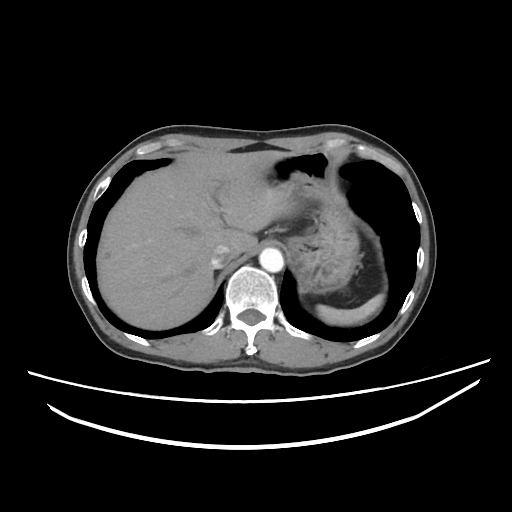
CT, abdomen/pelvis — axial view — 63-year-old male patient
Boxes: x1 y1 x2 y2 (pixel coords, space-separated). The annotated organs in this slice are: stomach at 264 151 358 293, liver at 97 150 297 329, inferior vena cava at 211 244 232 268, spleen at 317 294 383 325, aorta at 259 248 283 272.